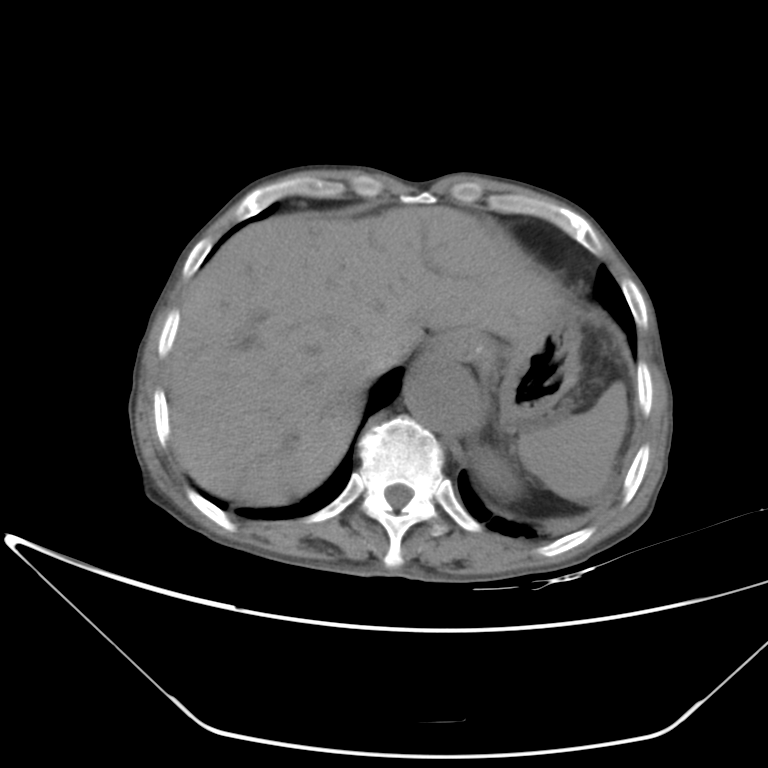
CT, abdomen/pelvis; axial plane, index 72; 768x768 px
Each box given as x1,y1,x2,y2. Labeled organs on this slice: spleen at x1=516, y1=382, x2=627, y2=501, left kidney at x1=472, y1=448, x2=522, y2=497, esophagus at x1=416, y1=349, x2=434, y2=368, liver at x1=167, y1=206, x2=562, y2=506, stomach at x1=427, y1=318, x2=580, y2=428, aorta at x1=404, y1=359, x2=478, y2=433, inferior vena cava at x1=370, y1=345, x2=408, y2=377.